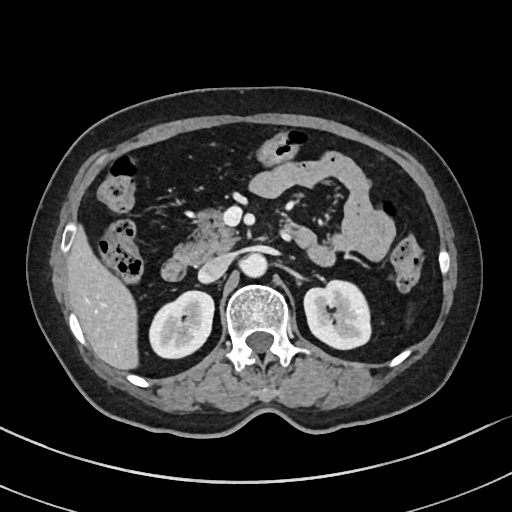
CT, abdomen/pelvis · axial view · abdomen soft-tissue window · 512x512 px · SOMATOM Force scanner
<organs><organ name="liver" x1="66" y1="223" x2="137" y2="371"/><organ name="inferior vena cava" x1="198" y1="254" x2="231" y2="282"/><organ name="left kidney" x1="303" y1="279" x2="369" y2="349"/><organ name="right kidney" x1="150" y1="291" x2="213" y2="358"/><organ name="duodenum" x1="162" y1="227" x2="312" y2="281"/><organ name="aorta" x1="241" y1="253" x2="267" y2="278"/><organ name="pancreas" x1="175" y1="206" x2="238" y2="262"/></organs>